CT, abdomen/pelvis — Axial slice 135/192 — 512x512 px — acquired on SOMATOM Force — scan has 15 labeled organs (that count is for the whole scan; organs this slice misses have no box)
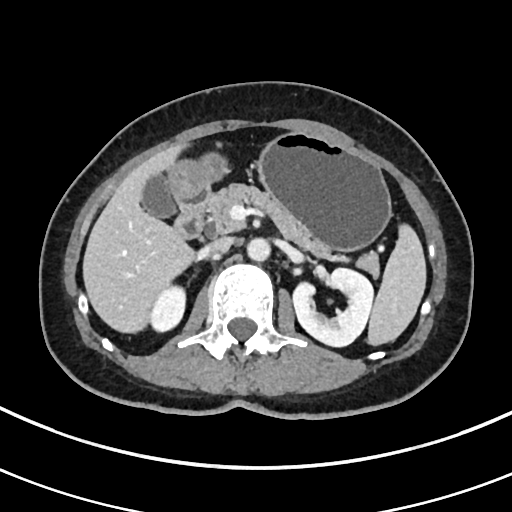 Bounding boxes as [x1, y1, x2, y2] in pixel coordinates.
spleen: [369, 225, 425, 344]
right kidney: [150, 287, 186, 333]
left kidney: [291, 266, 374, 346]
gall bladder: [140, 173, 173, 217]
liver: [83, 144, 193, 332]
stomach: [165, 131, 391, 249]
aorta: [247, 237, 270, 260]
inferior vena cava: [204, 236, 232, 254]
pancreas: [201, 185, 379, 275]
duodenum: [172, 195, 204, 238]